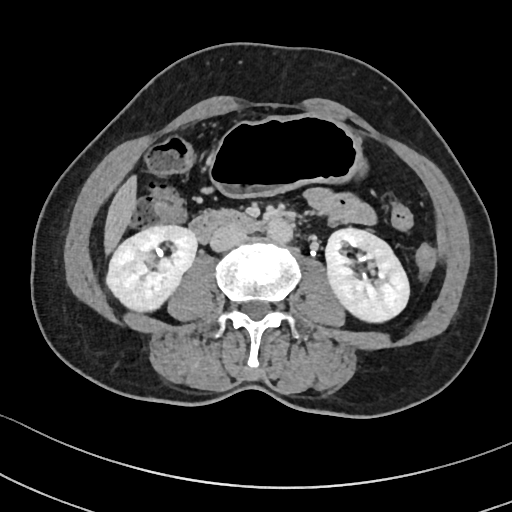

CT, abdomen/pelvis; axial plane, index 106; abdomen soft-tissue window; 512x512 px
Boxes: x1:y1:x2:y2 in pixels.
duodenum: 189:208:260:241
inferior vena cava: 210:225:246:250
liver: 105:178:135:254
left kidney: 325:227:409:321
aorta: 266:218:292:242
stomach: 210:116:362:198
right kidney: 108:224:197:311